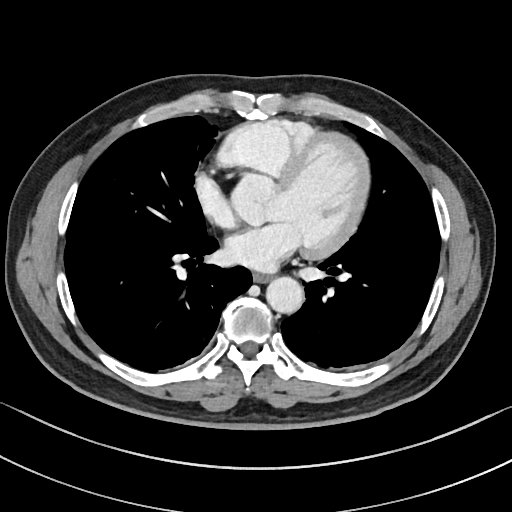
CT of the abdomen reaching into the lower chest, slice just above the liver and spleen. axial view. W/L 400/40 HU. 512x512 px
Of the structures in the chest, this dataset labels only the esophagus, the aorta and the inferior vena cava; the heart and lungs have no label.
Boxes: x1:y1:x2:y2 in pixels.
esophagus: 253:273:270:282
aorta: 266:276:303:313